Abdominal CT; axial view; 43-year-old female patient; 15 organs annotated in this scan (a whole-scan count: organs this slice does not pass through have no box)
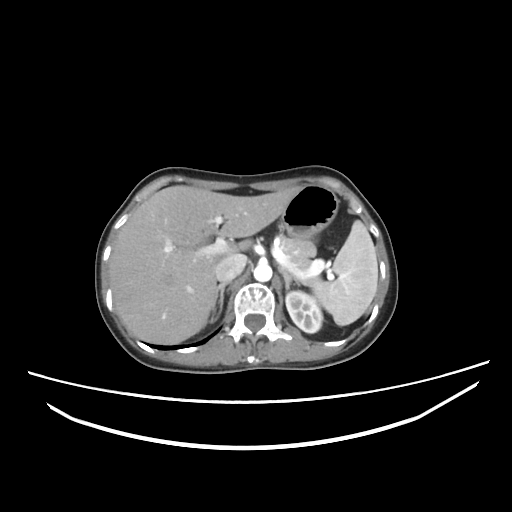 Organ boxes in pixel coordinates; each row gives the top-left (x1, y1) and bottom-right (x2, y2) corners.
| organ | x1 | y1 | x2 | y2 |
|---|---|---|---|---|
| spleen | 311 | 220 | 378 | 325 |
| left kidney | 285 | 291 | 322 | 332 |
| liver | 109 | 185 | 298 | 344 |
| stomach | 281 | 184 | 338 | 252 |
| aorta | 253 | 263 | 272 | 281 |
| inferior vena cava | 215 | 254 | 246 | 282 |
| pancreas | 280 | 236 | 315 | 284 |
| right adrenal gland | 211 | 282 | 228 | 320 |
| left adrenal gland | 279 | 268 | 300 | 290 |